CT, abdomen/pelvis — Axial slice 46/118 — 50-year-old male patient
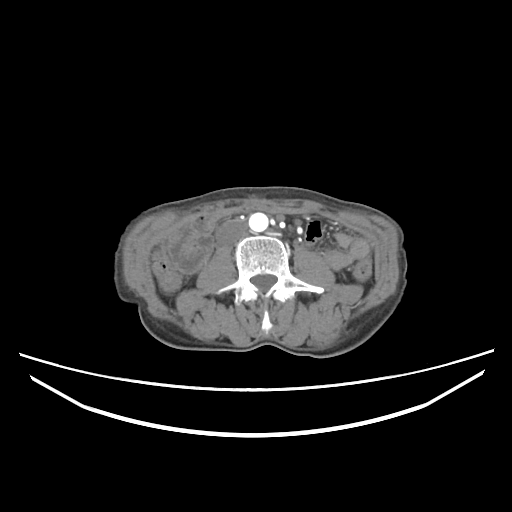

Boxes are (x1, y1, x2, y2) in pixels.
Organ bounding boxes:
- aorta: (248, 212, 268, 231)
- inferior vena cava: (216, 219, 247, 244)